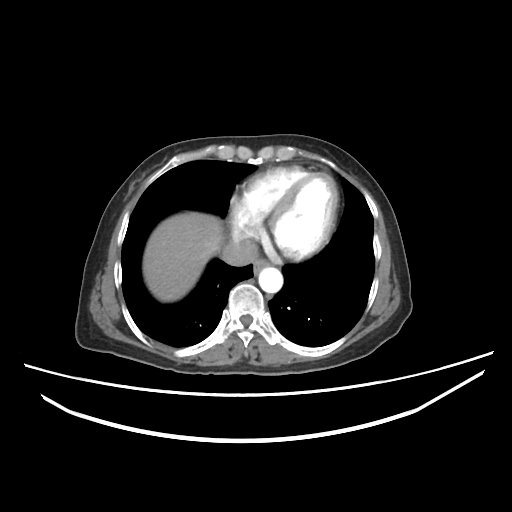

CT abdomen; axial view; abdomen soft-tissue window; 512x512 px
{"organs":{"liver":[144,213,226,301],"aorta":[258,268,281,292],"esophagus":[252,259,269,274],"inferior vena cava":[221,236,260,267]}}